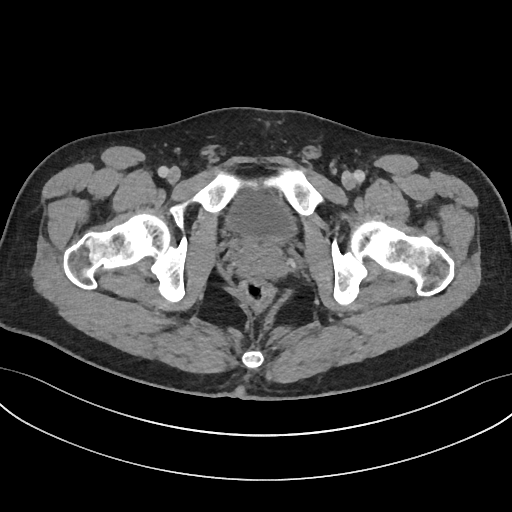

Computed tomography, abdomen · axial view
Boxes: x1:y1:x2:y2 in pixels.
prostate/uterus: 234:238:286:276
bladder: 224:192:295:243